CT, abdomen/pelvis — axial view — acquired on Aquilion ONE
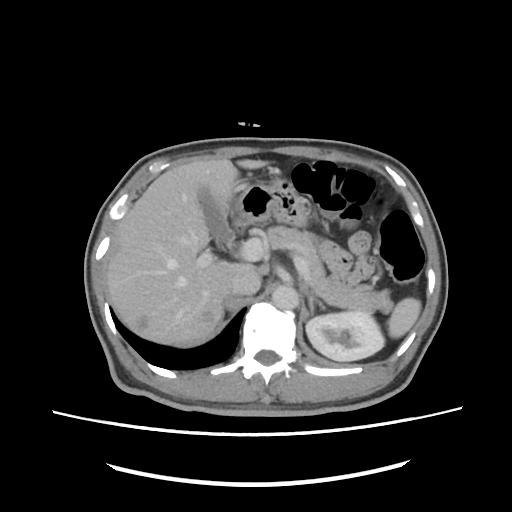 Boxes are (x1, y1, x2, y2) in pixels.
spleen: (388, 298, 421, 338)
left kidney: (306, 310, 384, 361)
gall bladder: (198, 188, 231, 245)
liver: (106, 158, 268, 345)
stomach: (233, 178, 310, 226)
aorta: (271, 285, 298, 309)
inferior vena cava: (231, 265, 261, 294)
pancreas: (265, 226, 393, 312)
left adrenal gland: (307, 291, 325, 315)